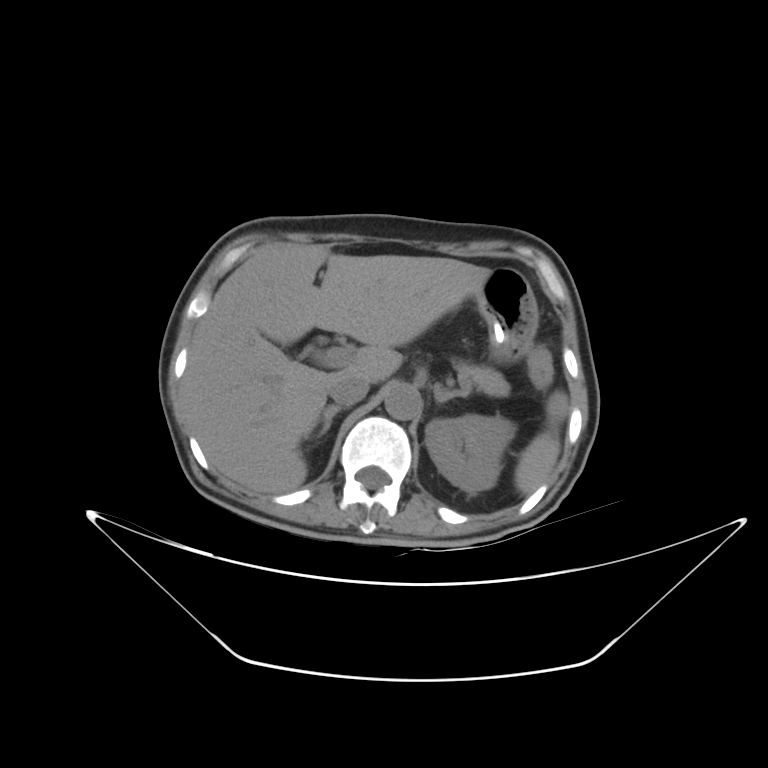

Abdominal CT. axial view. soft-tissue window
<organs><organ name="inferior vena cava" x1="328" y1="374" x2="369" y2="406"/><organ name="stomach" x1="475" y1="268" x2="538" y2="362"/><organ name="aorta" x1="385" y1="384" x2="421" y2="420"/><organ name="spleen" x1="514" y1="391" x2="569" y2="495"/><organ name="right adrenal gland" x1="303" y1="405" x2="341" y2="439"/><organ name="left kidney" x1="425" y1="415" x2="515" y2="492"/><organ name="liver" x1="182" y1="242" x2="490" y2="493"/><organ name="left adrenal gland" x1="434" y1="384" x2="469" y2="403"/><organ name="pancreas" x1="453" y1="363" x2="510" y2="396"/></organs>